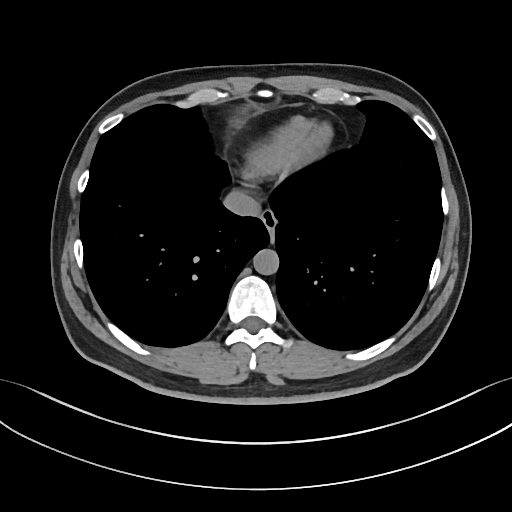
CT of the abdomen reaching into the lower chest, slice just above the liver and spleen — axial view — soft-tissue window (W 400 / L 40)
The heart and lungs are never labeled in this dataset, so they have no box on this slice.
{"organs":{"esophagus":[261,211,277,238],"aorta":[253,249,279,274],"inferior vena cava":[224,187,261,217]}}